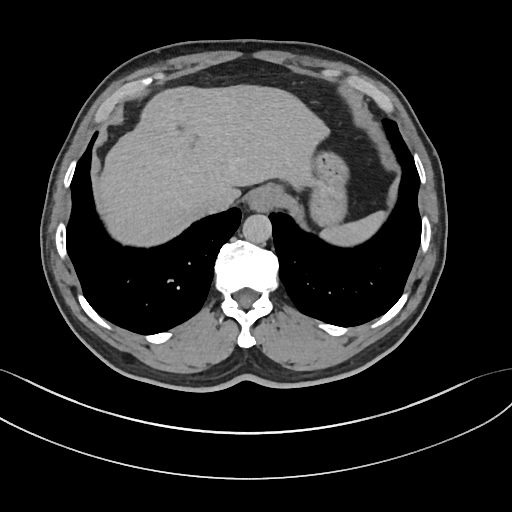 CT abdomen. axial plane, index 189. W/L 400/40 HU. 512x512 px
Boxes are (x1, y1, x2, y2) in pixels.
Organ bounding boxes:
- spleen: (318, 211, 386, 246)
- esophagus: (247, 185, 280, 212)
- liver: (97, 86, 328, 245)
- stomach: (309, 154, 347, 226)
- aorta: (242, 214, 272, 243)
- inferior vena cava: (199, 189, 228, 212)